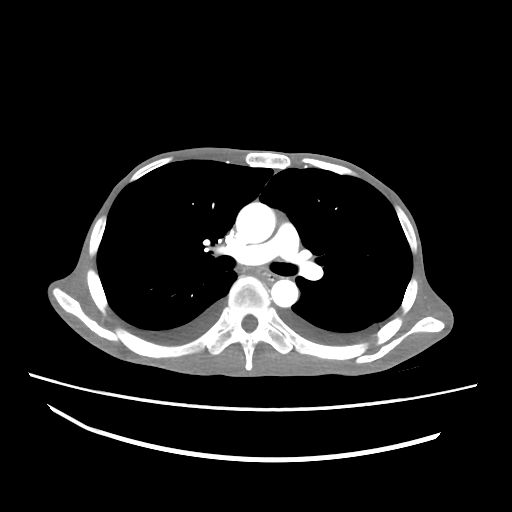 Chest-level slice from an abdominal CT that extends up into the chest. axial view. 47-year-old male patient
On a slice this high in the chest, this dataset labels only the esophagus and the aorta, and each is boxed only where it is labeled; the heart, lungs and other chest structures are not labeled.
Coordinates as <box>x1,y1,x2,y2</box> in pixels.
esophagus: <box>258,269,276,280</box>
aorta: <box>236,202,275,243</box>
aorta: <box>271,279,298,307</box>